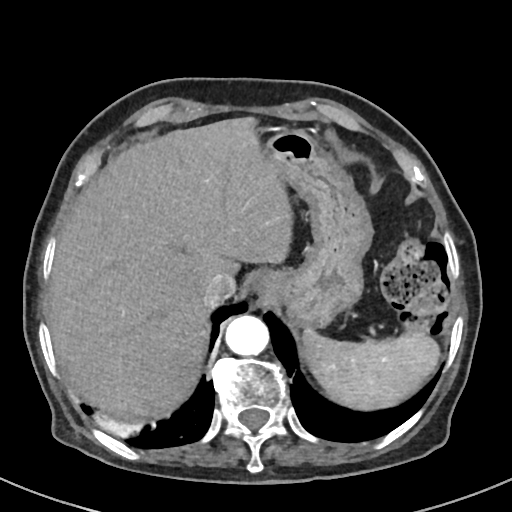 CT, abdomen/pelvis; axial plane, index 169
Each box given as x1,y1,x2,y2.
inferior vena cava: x1=201, y1=270, x2=234, y2=305
spleen: x1=304, y1=327, x2=437, y2=407
esophagus: x1=245, y1=269, x2=285, y2=302
liver: x1=47, y1=117, x2=292, y2=417
aorta: x1=224, y1=316, x2=267, y2=355
stomach: x1=265, y1=132, x2=370, y2=327